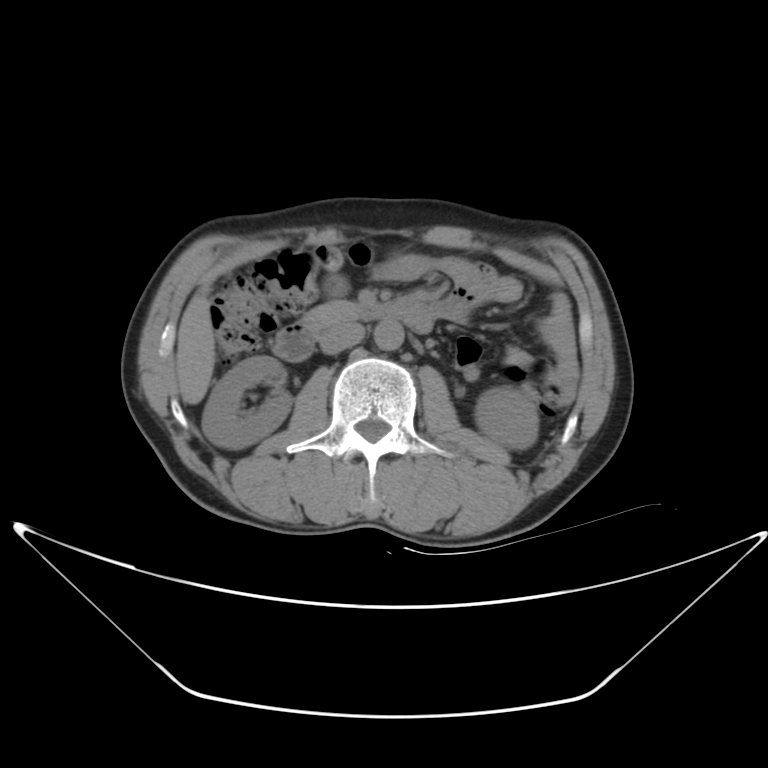

CT abdomen · Axial slice 61/93 · 768x768 px
Box edges are left/top/right/bottom in pixels. 7 labeled organs on this slice — duodenum at left=269, top=302, right=432, bottom=359; inferior vena cava at left=319, top=324, right=361, bottom=353; left kidney at left=476, top=386, right=540, bottom=449; liver at left=175, top=289, right=212, bottom=405; pancreas at left=301, top=301, right=361, bottom=327; aorta at left=373, top=322, right=405, bottom=350; right kidney at left=202, top=356, right=294, bottom=447.